Computed tomography, abdomen. axial view. 15 organs annotated in this scan (a whole-scan count: organs this slice does not pass through have no box)
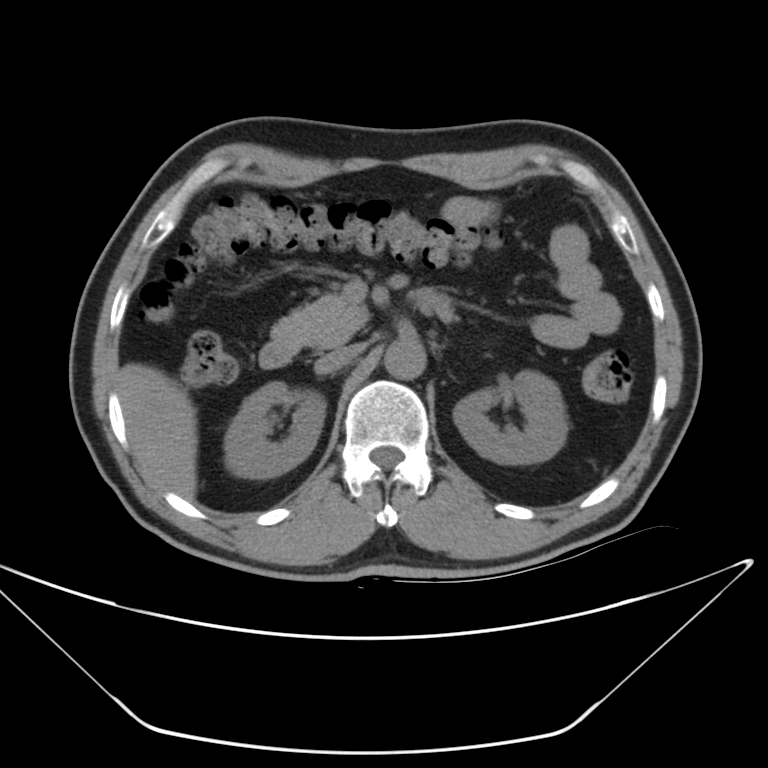
<organs><organ name="right kidney" x1="225" y1="382" x2="325" y2="477"/><organ name="left kidney" x1="454" y1="368" x2="567" y2="463"/><organ name="liver" x1="119" y1="362" x2="197" y2="498"/><organ name="aorta" x1="383" y1="337" x2="425" y2="378"/><organ name="inferior vena cava" x1="315" y1="348" x2="356" y2="370"/><organ name="pancreas" x1="271" y1="294" x2="370" y2="344"/><organ name="duodenum" x1="259" y1="288" x2="452" y2="366"/></organs>